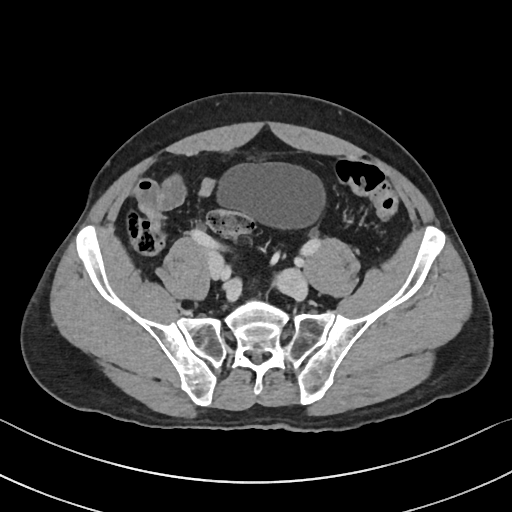

CT abdomen; Axial slice 62/291; 512x512 px; acquired on SOMATOM Force
Each box given as x1,y1,x2,y2. The annotated organs in this slice are: bladder at x1=217, y1=163, x2=324, y2=228.